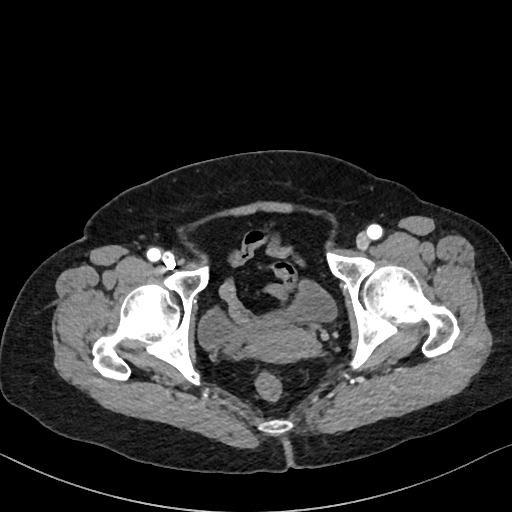 CT, abdomen/pelvis — axial view — soft-tissue window — acquired on SOMATOM Force — scan has 15 labeled organs (a whole-scan count: organs this slice does not pass through have no box)
{"organs":{"bladder":[199,280,336,349],"prostate/uterus":[250,325,314,362]}}